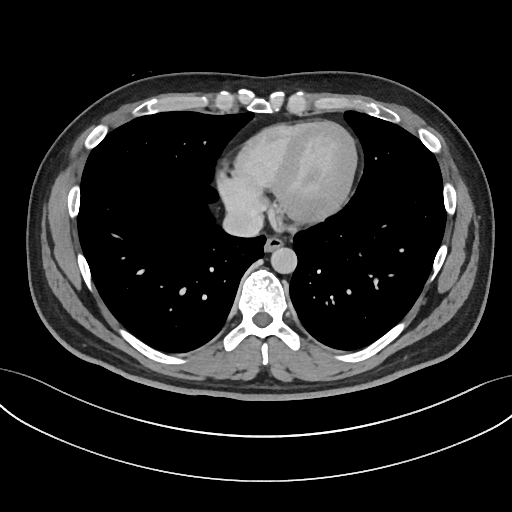
CT of the abdomen reaching into the lower chest, slice just above the liver and spleen. axial view. soft-tissue window, W/L 400/40
The heart and lungs are never labeled in this dataset, so they have no box on this slice.
<organs><organ name="esophagus" x1="263" y1="238" x2="282" y2="252"/><organ name="aorta" x1="271" y1="247" x2="297" y2="273"/><organ name="inferior vena cava" x1="224" y1="208" x2="262" y2="236"/></organs>